Abdominal CT — axial plane, index 65 — 40-year-old male patient
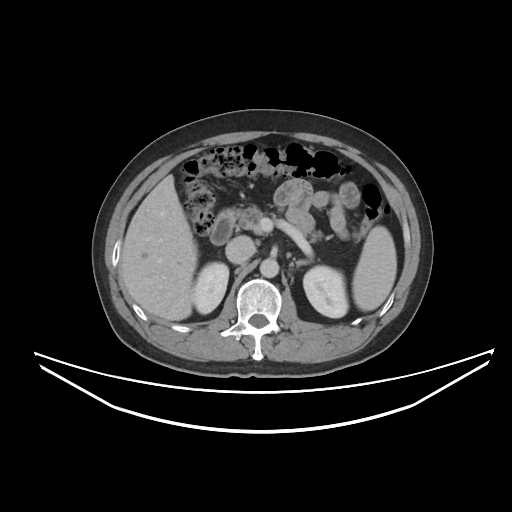

Boxes: x1:y1:x2:y2 in pixels. The annotated organs in this slice are: right kidney at 192:262:228:313, inferior vena cava at 225:236:255:263, pancreas at 238:206:322:242, duodenum at 210:208:240:245, liver at 121:174:197:320, spleen at 352:225:396:311, aorta at 260:258:279:277, left adrenal gland at 294:259:311:266, left kidney at 303:266:348:317.